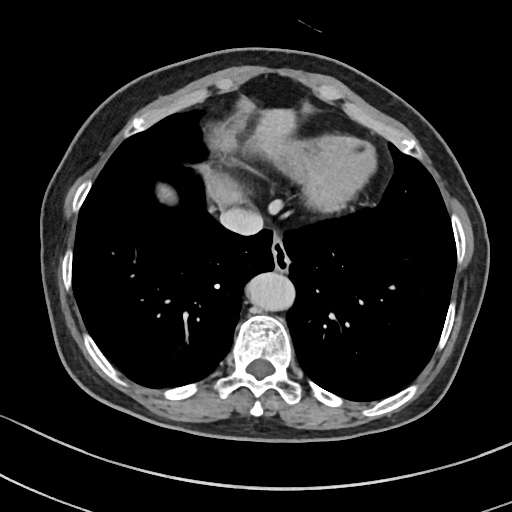

CT, abdomen/pelvis · Axial slice 182/192 · W/L 400/40 HU · 512x512 px
Boxes: x1:y1:x2:y2 in pixels. Labeled organs on this slice: esophagus at 271:235:290:271, liver at 156:110:301:209, aorta at 245:272:292:311, inferior vena cava at 220:207:263:235.